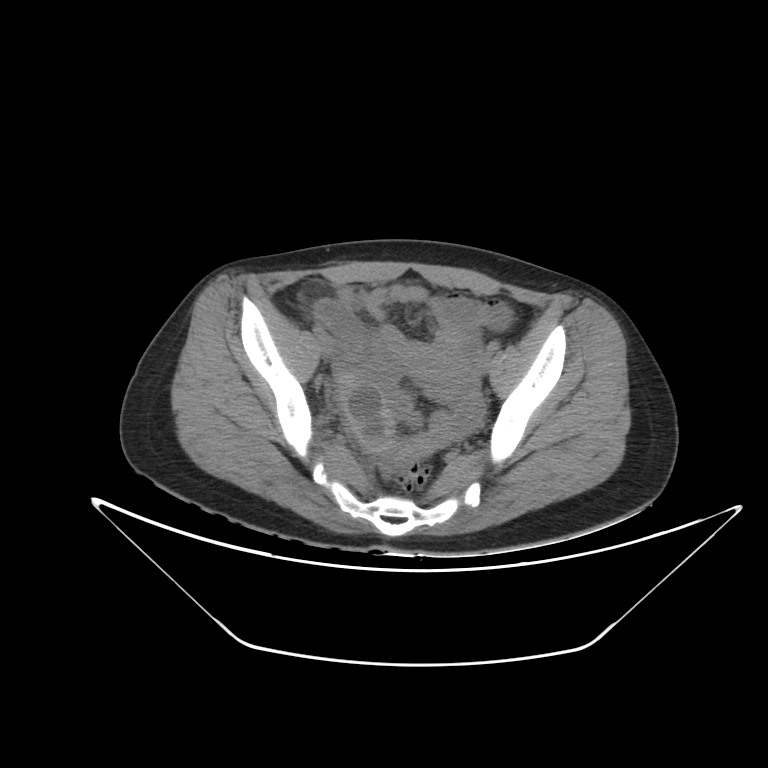
Abdominal CT · Axial slice 28/83 · abdomen soft-tissue window · scan has 15 labeled organs (counted over the whole 3D scan, not this slice; an organ is boxed only where this slice passes through it)
<organs><organ name="prostate/uterus" x1="411" y1="336" x2="479" y2="403"/></organs>